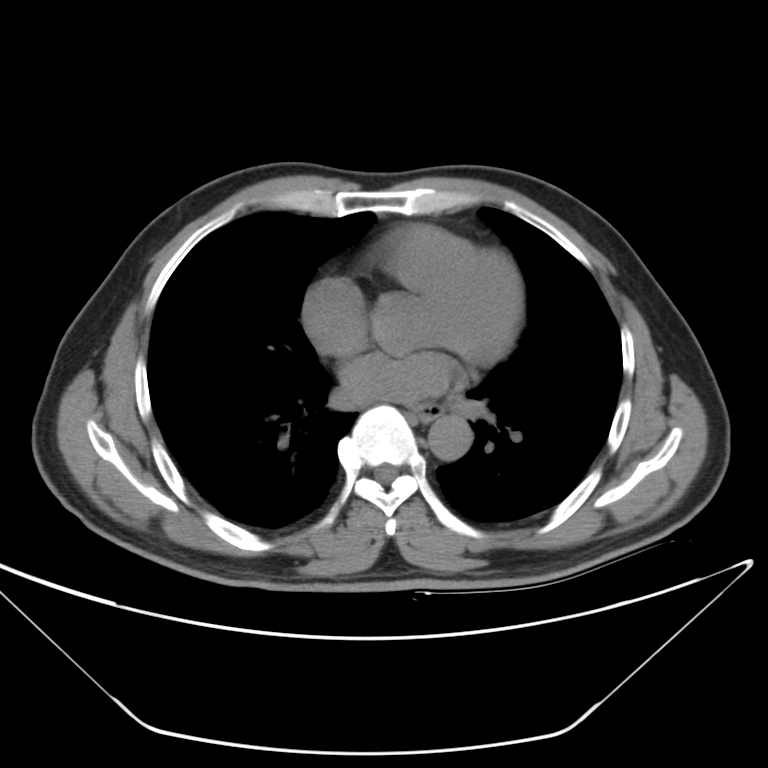

Abdominal CT; this slice is in the lower chest, just above the liver; axial plane, index 109; soft-tissue window, W/L 400/40
The heart and lungs are never labeled in this dataset, so they have no box on this slice.
Bounding boxes in pixels, one row per box: x1, y1 is the top-left corner and x2, y2 the bottom-right.
| organ | x1 | y1 | x2 | y2 |
|---|---|---|---|---|
| esophagus | 415 | 405 | 444 | 421 |
| aorta | 430 | 418 | 470 | 458 |